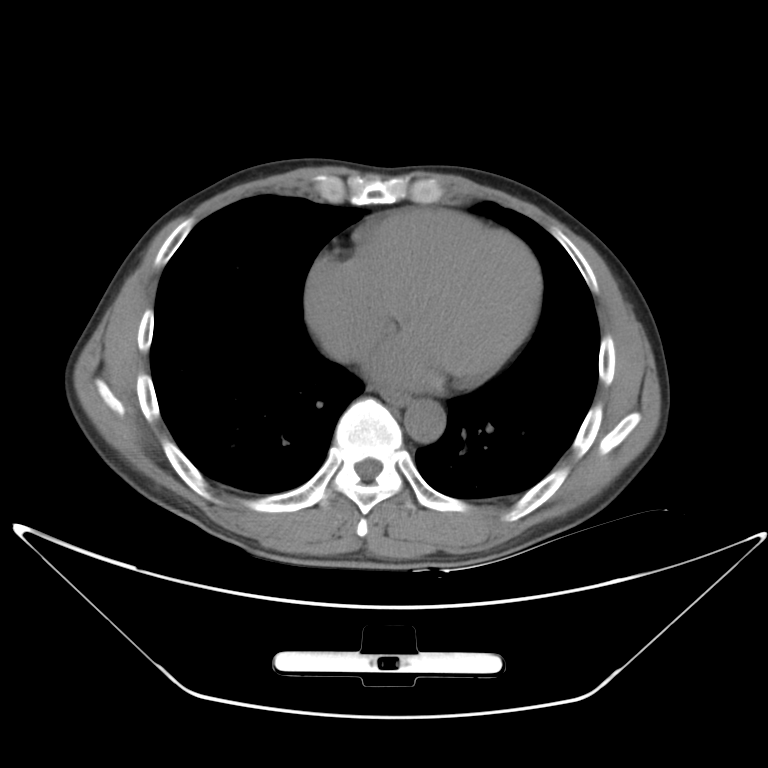 Abdominal CT; this slice is in the lower chest, just above the liver — axial view — soft-tissue window — 51-year-old male patient — acquired on Brilliance16
Of the structures in the chest, this dataset labels only the esophagus, the aorta and the inferior vena cava; the heart and lungs have no label.
Boxes: x1 y1 x2 y2 (pixel coords, space-separated).
esophagus: 370 384 409 406
aorta: 403 399 447 440
inferior vena cava: 319 334 358 361